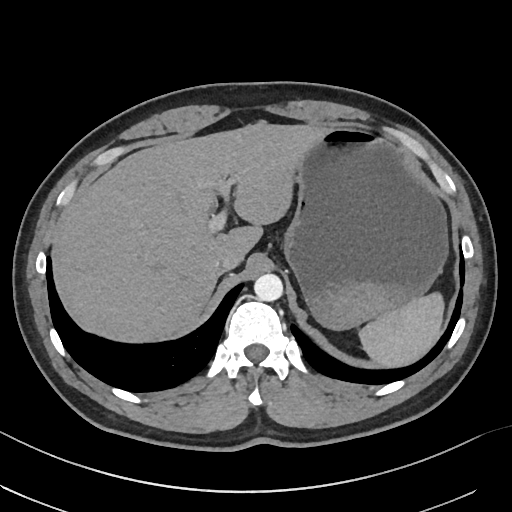 CT, abdomen/pelvis; Axial slice 179/307; 512x512 px
Boxes: x1 y1 x2 y2 (pixel coords, space-separated).
spleen: 359 292 444 367
stomach: 283 126 448 330
liver: 60 121 323 342
inferior vena cava: 210 253 238 274
aorta: 254 273 283 301